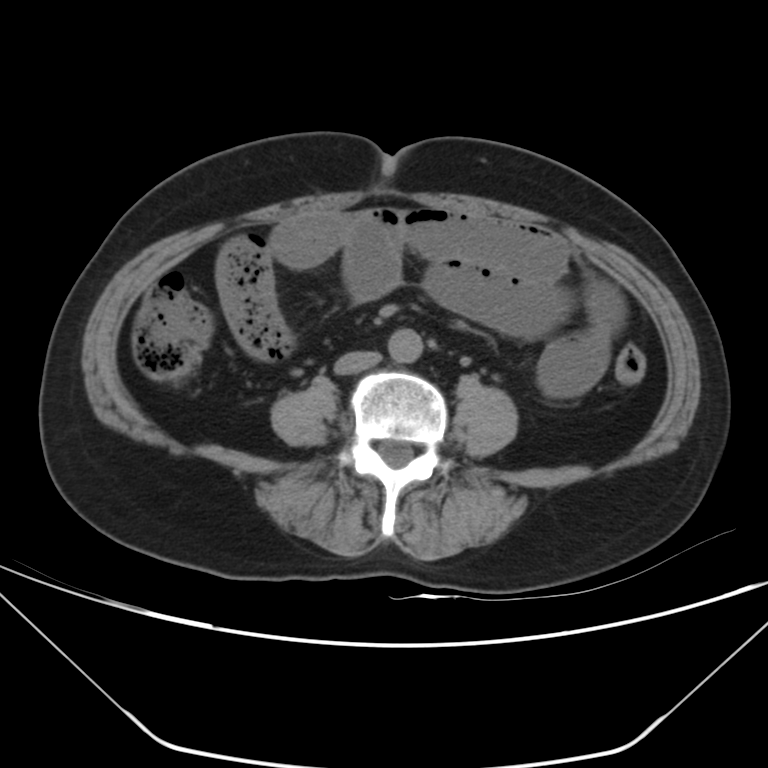

Abdominal CT. axial view. soft-tissue window. 40-year-old male patient. acquired on Brilliance16
Boxes: x1 y1 x2 y2 (pixel coords, space-separated).
Organ bounding boxes:
- aorta: 388 327 423 362
- inferior vena cava: 334 350 381 374